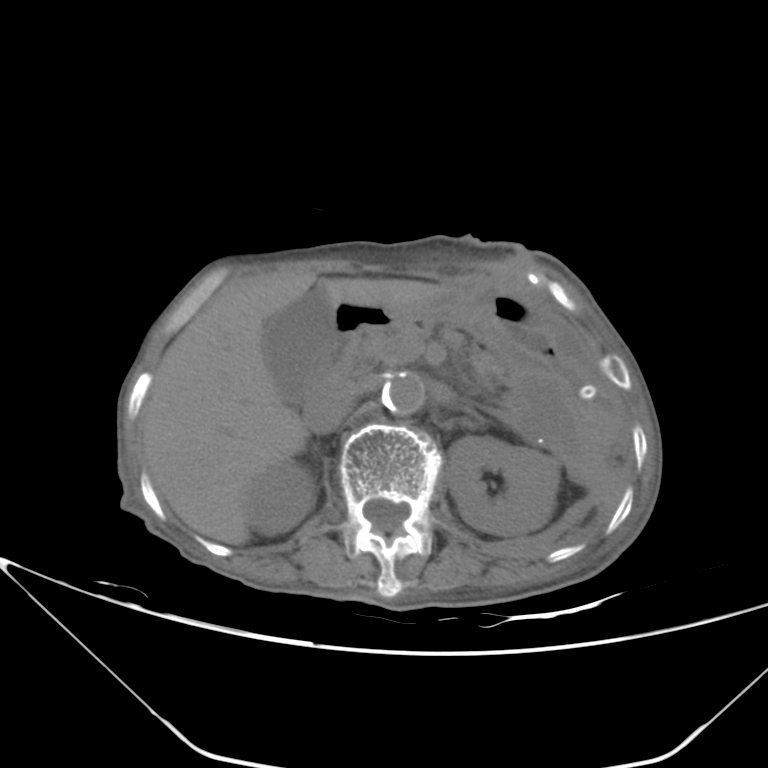
Abdominal CT — axial view
Bounding boxes as [x1, y1, x2, y2] in pixel coordinates.
Organ bounding boxes:
- left kidney: [448, 436, 559, 536]
- right kidney: [244, 462, 312, 535]
- liver: [140, 271, 445, 545]
- pancreas: [357, 324, 503, 389]
- aorta: [381, 373, 425, 415]
- gall bladder: [262, 288, 334, 402]
- inferior vena cava: [306, 382, 363, 434]
- stomach: [388, 284, 622, 440]
- left adrenal gland: [462, 406, 483, 422]
- duodenum: [306, 303, 394, 408]